Abdominal CT · axial view · 512x512 px
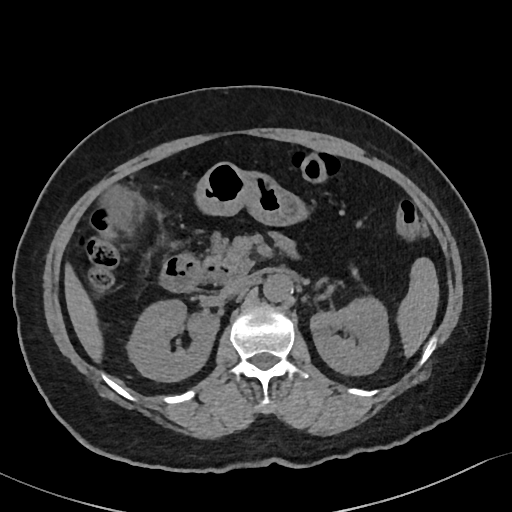
Boxes are (x1, y1, x2, y2) in pixels. Labeled organs on this slice: spleen at (399, 259, 438, 355), right kidney at (128, 302, 217, 380), left kidney at (310, 298, 389, 374), gall bladder at (108, 188, 132, 224), liver at (62, 269, 102, 357), stomach at (198, 162, 304, 224), aorta at (261, 273, 292, 301), inferior vena cava at (221, 274, 247, 297), pancreas at (205, 237, 253, 272), duodenum at (158, 255, 232, 291).